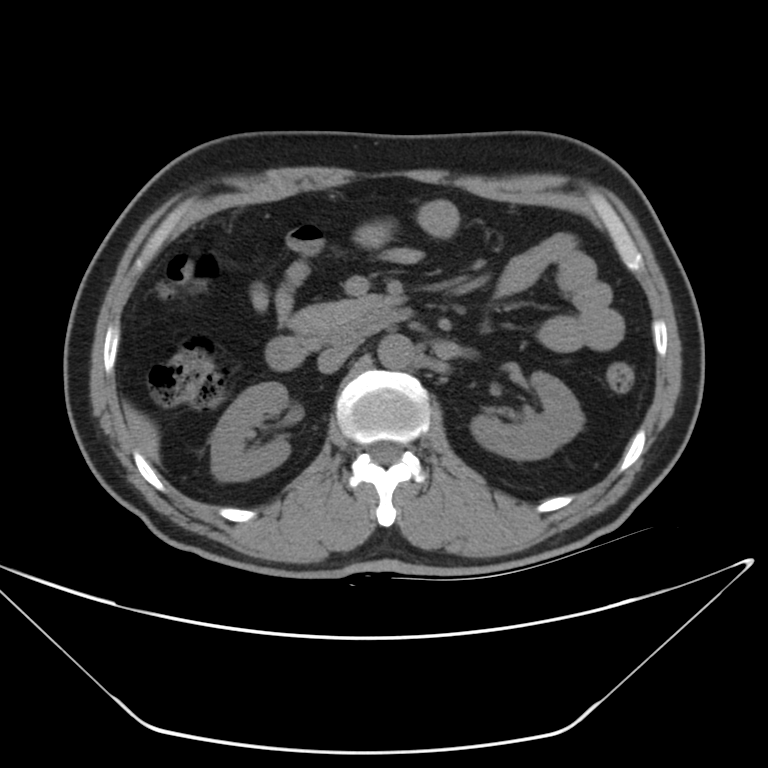

CT abdomen; axial view; soft-tissue window; 768x768 px; 15 organs annotated in this scan (a whole-scan count: organs this slice does not pass through have no box)
Coordinates as <box>x1,y1,x2,y2</box> in pixels. Labeled organs on this slice: right kidney at <box>208,382,293,478</box>, left kidney at <box>471,372,582,460</box>, liver at <box>124,408,160,461</box>, aorta at <box>377,334,413,370</box>, inferior vena cava at <box>318,345,354,373</box>, pancreas at <box>287,294,398,348</box>, duodenum at <box>266,307,409,369</box>.